Computed tomography, abdomen · axial view · 512x512 px
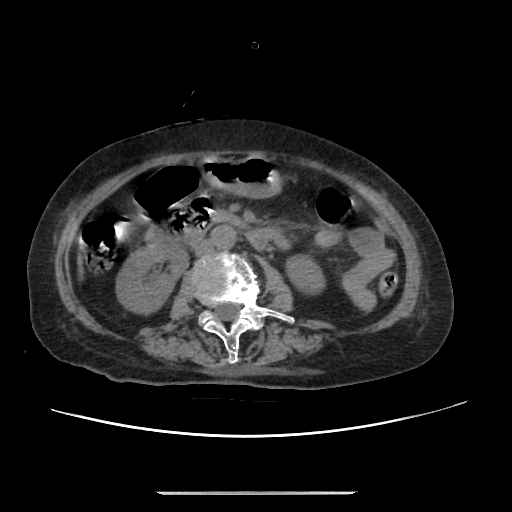

<organs><organ name="right kidney" x1="117" y1="244" x2="188" y2="310"/><organ name="left kidney" x1="288" y1="256" x2="321" y2="291"/><organ name="stomach" x1="204" y1="156" x2="279" y2="197"/><organ name="aorta" x1="212" y1="225" x2="237" y2="248"/><organ name="inferior vena cava" x1="195" y1="239" x2="215" y2="256"/><organ name="duodenum" x1="148" y1="204" x2="276" y2="249"/></organs>